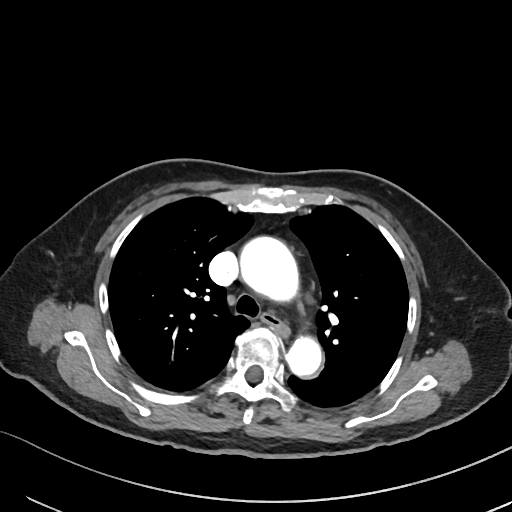
CT of the abdomen extending into the chest, slice through the chest. axial plane, index 256. scan has 15 labeled organs (a whole-scan count: organs this slice does not pass through have no box)
At this level of the chest no structure but the esophagus and the aorta has a label in this dataset, and those two are boxed only where they are labeled.
Boxes: x1:y1:x2:y2 in pixels.
esophagus: 262:314:288:339
aorta: 239:235:298:300
aorta: 286:337:323:378